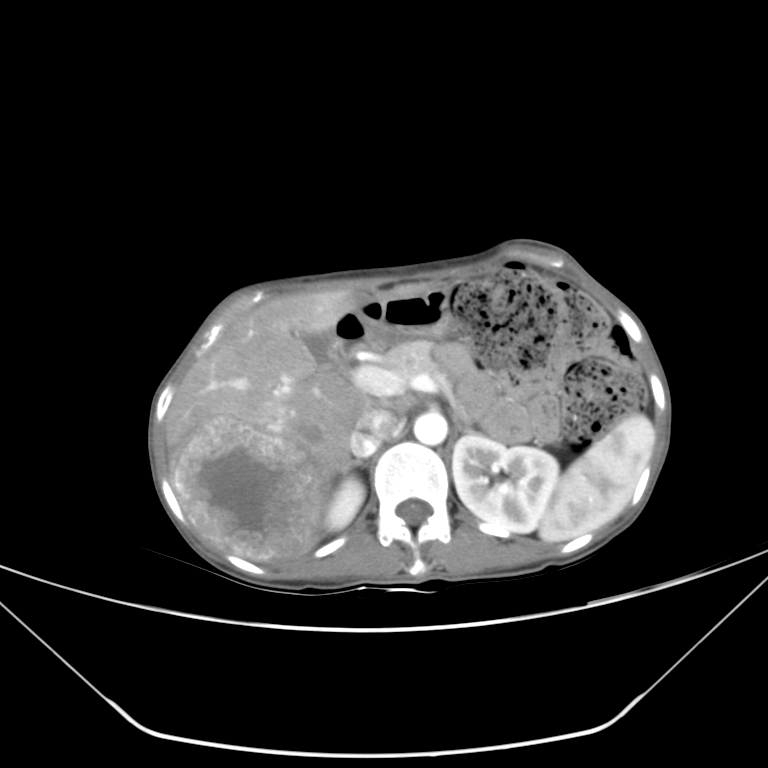

CT, abdomen/pelvis. Axial slice 67/89. soft-tissue window (W 400 / L 40). 768x768 px. 15 organs annotated in this scan (a whole-scan count: organs this slice does not pass through have no box)
Box edges are left/top/right/bottom in pixels.
Organ bounding boxes:
- pancreas: left=379, top=340, right=447, bottom=381
- inferior vena cava: left=349, top=409, right=395, bottom=457
- gall bladder: left=305, top=333, right=334, bottom=367
- duodenum: left=334, top=348, right=349, bottom=365
- left adrenal gland: left=459, top=429, right=488, bottom=437
- right adrenal gland: left=340, top=458, right=363, bottom=473
- right kidney: left=324, top=476, right=364, bottom=531
- stomach: left=335, top=286, right=454, bottom=348
- left kidney: left=452, top=434, right=558, bottom=532
- aorta: left=414, top=411, right=447, bottom=444
- liver: left=166, top=283, right=431, bottom=561
- spleen: left=538, top=413, right=655, bottom=542